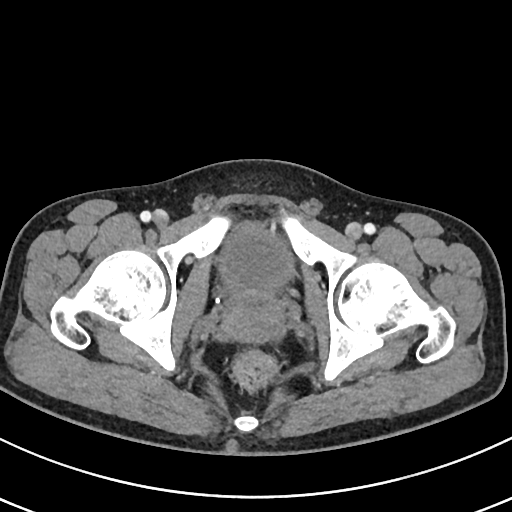 Abdominal CT · axial view · 512x512 px · 15 organs annotated in this scan (that count is for the whole scan; organs this slice misses have no box)
Coordinates as <box>x1,y1,x2,y2</box> in pixels.
Organ bounding boxes:
- bladder: <box>217,223,296,292</box>
- prostate/uterus: <box>228,288,277,328</box>